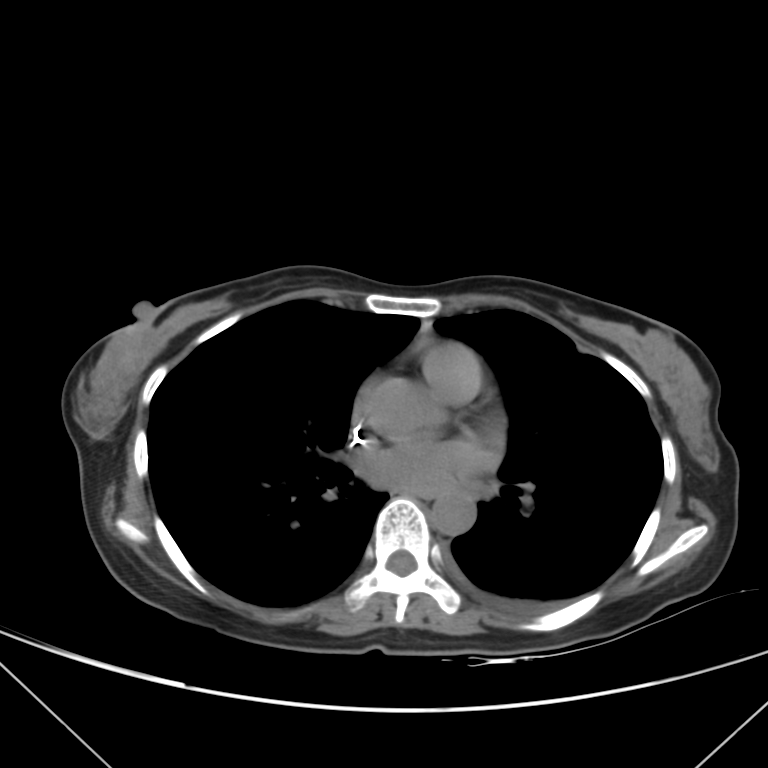
CT of the abdomen reaching into the lower chest, slice just above the liver and spleen · axial view · soft-tissue window (W 400 / L 40) · scan has 15 labeled organs (counted over the whole 3D scan, not this slice; an organ is boxed only where this slice passes through it)
Of the structures in the chest, this dataset labels only the esophagus, the aorta and the inferior vena cava; the heart and lungs have no label.
Boxes: x1 y1 x2 y2 (pixel coords, space-separated).
Organ bounding boxes:
- esophagus: 416 492 443 499
- aorta: 431 496 474 534